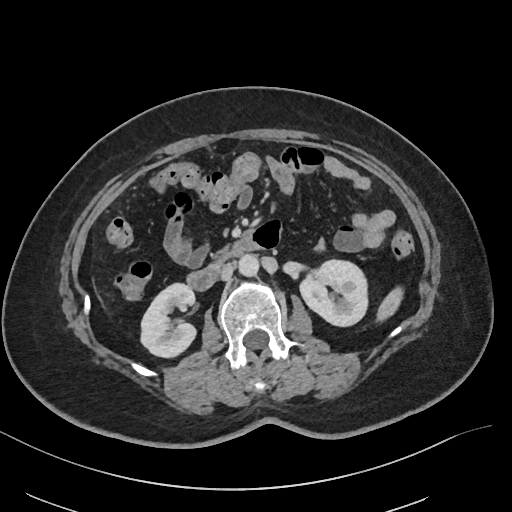
Computed tomography, abdomen; axial view; 512x512 px
Organ boxes in pixel coordinates; each row gives the top-left (x1, y1) and bottom-right (x2, y2) corners.
| organ | x1 | y1 | x2 | y2 |
|---|---|---|---|---|
| spleen | 377 | 288 | 401 | 319 |
| right kidney | 139 | 284 | 196 | 358 |
| left kidney | 298 | 258 | 366 | 326 |
| aorta | 238 | 255 | 259 | 277 |
| inferior vena cava | 220 | 263 | 234 | 281 |
| pancreas | 213 | 247 | 232 | 264 |
| duodenum | 185 | 242 | 259 | 291 |